CT abdomen · axial plane, index 290 · acquired on SOMATOM Force
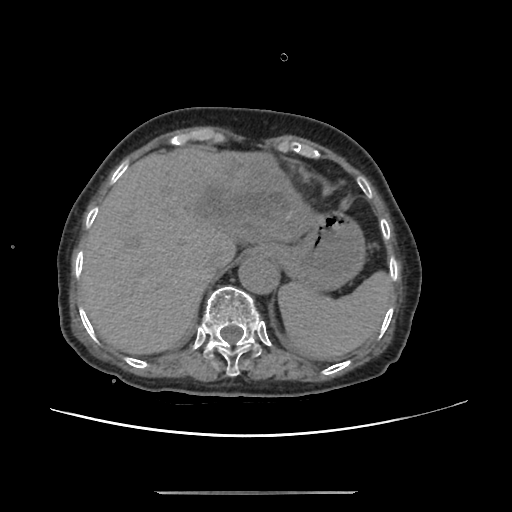 Coordinates as <box>x1,y1,x2,y2</box> in pixels.
esophagus: <box>250,248,261,255</box>
stomach: <box>259,210,365,291</box>
spleen: <box>278,271,393,360</box>
aorta: <box>238,256,278,294</box>
liver: <box>80,146,318,354</box>
inferior vena cava: <box>203,248,227,273</box>